Abdominal CT; Axial slice 20/85; 31-year-old female patient
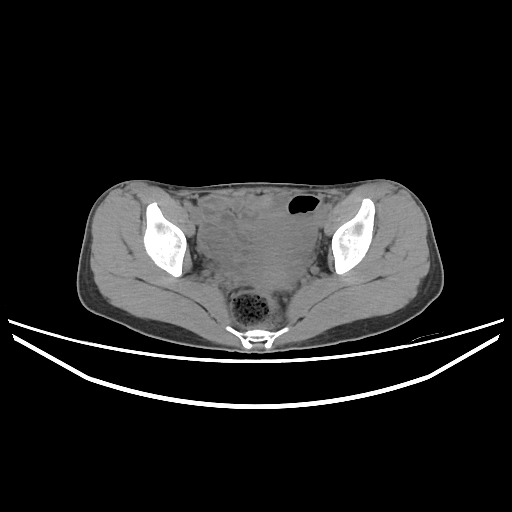 Bounding boxes as [x1, y1, x2, y2] in pixel coordinates.
prostate/uterus: [258, 233, 292, 288]